CT, abdomen/pelvis; axial plane, index 60; soft-tissue window; 768x768 px; 43-year-old female patient; Brilliance16 scanner
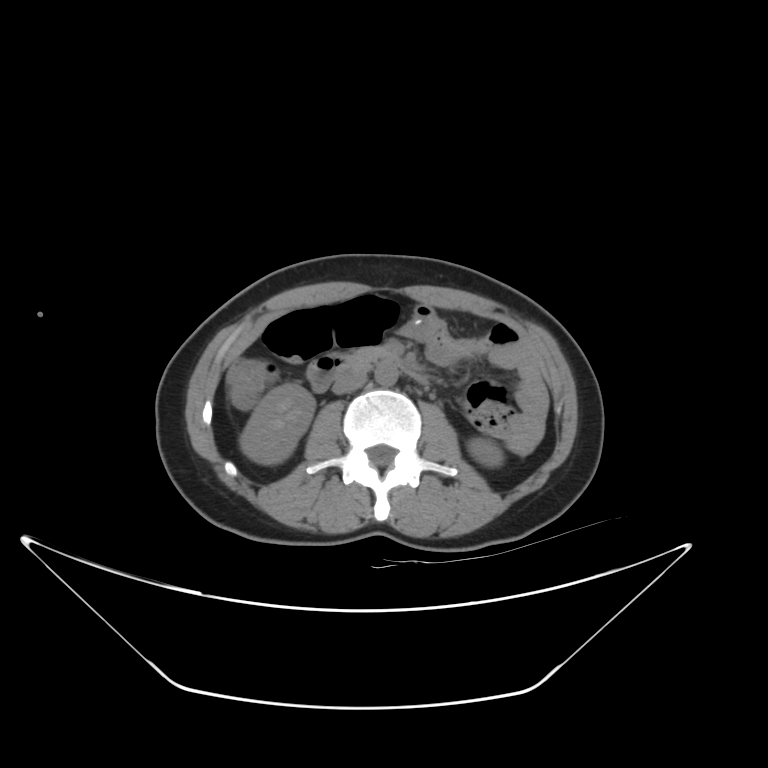 Bounding boxes in pixels, one row per box: x1, y1 is the top-left corner and x2, y2 the bottom-right.
| organ | x1 | y1 | x2 | y2 |
|---|---|---|---|---|
| right kidney | 239 | 384 | 315 | 464 |
| left kidney | 467 | 437 | 504 | 465 |
| aorta | 374 | 361 | 398 | 386 |
| inferior vena cava | 332 | 370 | 367 | 394 |
| pancreas | 347 | 347 | 391 | 368 |
| duodenum | 306 | 354 | 427 | 392 |